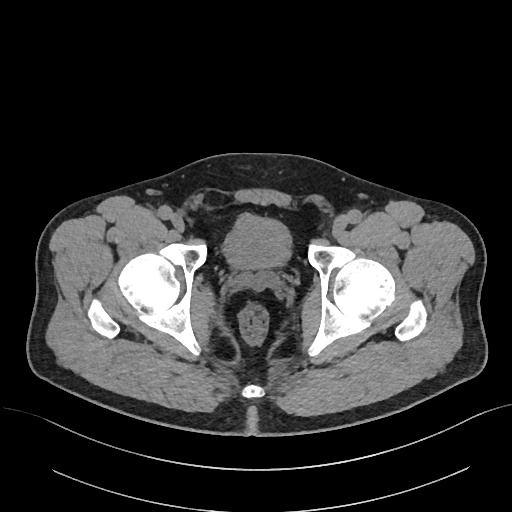
Abdominal CT. axial plane, index 35. abdomen soft-tissue window
Each box given as x1,y1,x2,y2.
Organ bounding boxes:
- bladder: x1=222, y1=213, x2=291, y2=268